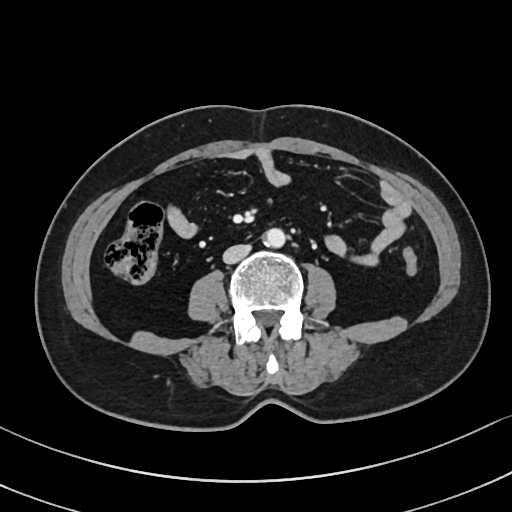

CT abdomen; Axial slice 112/314; 512x512 px
Boxes: x1:y1:x2:y2 in pixels. Labeled organs on this slice: aorta at 263:228:285:247, inferior vena cava at 223:245:251:263.